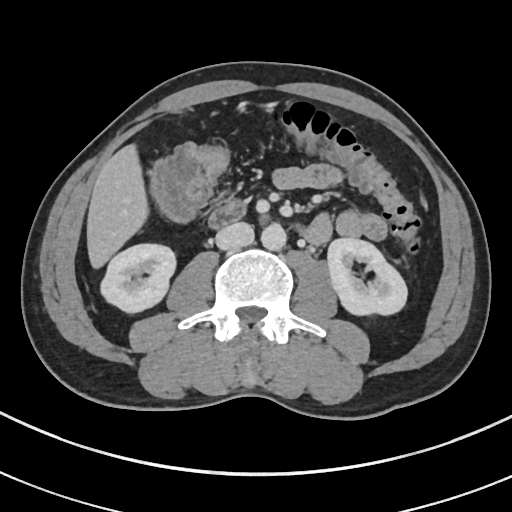
Abdominal CT; Axial slice 109/298; 512x512 px
Each box given as x1,y1,x2,y2. 6 labeled organs on this slice — right kidney at x1=100, y1=244, x2=176, y2=312; left kidney at x1=328, y1=238, x2=407, y2=315; liver at x1=87, y1=144, x2=148, y2=268; aorta at x1=261, y1=223, x2=286, y2=250; inferior vena cava at x1=215, y1=222, x2=254, y2=250; duodenum at x1=209, y1=198, x2=243, y2=227.